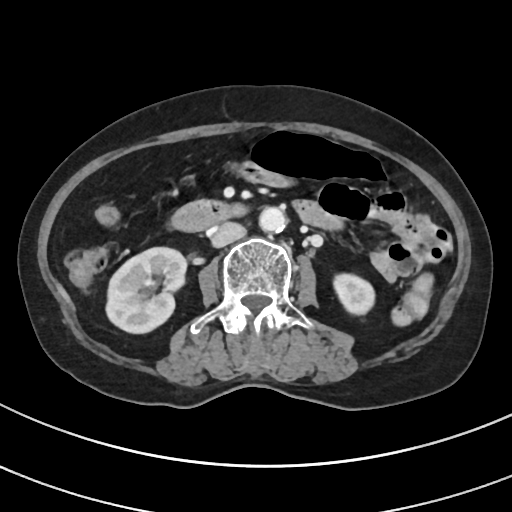 Abdominal CT; axial view; 512x512 px; SOMATOM Force scanner
Bounding boxes in pixels, one row per box: x1, y1 is the top-left corner and x2, y2 the bottom-right.
| organ | x1 | y1 | x2 | y2 |
|---|---|---|---|---|
| right kidney | 106 | 247 | 186 | 333 |
| duodenum | 173 | 199 | 246 | 232 |
| inferior vena cava | 211 | 222 | 245 | 247 |
| left kidney | 333 | 273 | 374 | 314 |
| aorta | 259 | 207 | 286 | 232 |